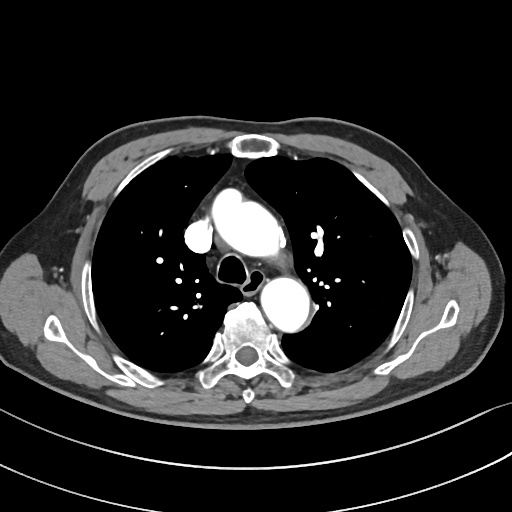 CT of the abdomen extending into the chest, slice through the chest · Axial slice 264/306 · soft-tissue window · scan has 15 labeled organs (a whole-scan count: organs this slice does not pass through have no box)
At this level of the chest this dataset labels only the esophagus and the aorta, and each is boxed only where it is labeled; the heart and lungs are never labeled.
<organs><organ name="aorta" x1="217" y1="202" x2="286" y2="262"/><organ name="aorta" x1="260" y1="276" x2="309" y2="330"/><organ name="esophagus" x1="243" y1="271" x2="263" y2="293"/></organs>